CT abdomen — Axial slice 221/228 — soft-tissue window (W 400 / L 40) — acquired on SOMATOM Force — scan has 15 labeled organs (that count is for the whole scan; organs this slice misses have no box)
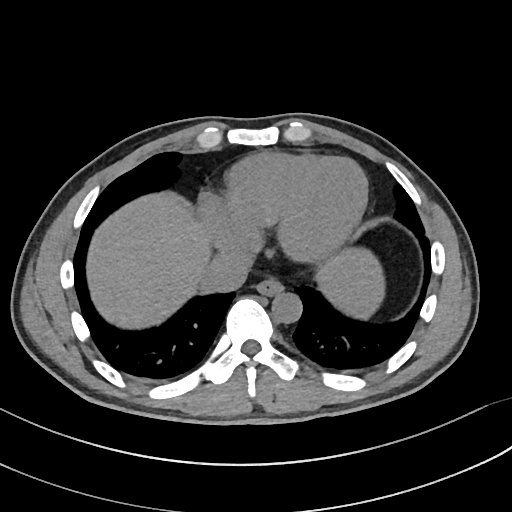
<organs><organ name="esophagus" x1="256" y1="280" x2="284" y2="297"/><organ name="liver" x1="88" y1="192" x2="383" y2="327"/><organ name="aorta" x1="272" y1="293" x2="302" y2="324"/><organ name="inferior vena cava" x1="201" y1="250" x2="253" y2="290"/></organs>